Chest-level slice from an abdominal CT that extends up into the chest — axial view — soft-tissue window, W/L 400/40 — 768x768 px — scan has 13 labeled organs (a whole-scan count: organs this slice does not pass through have no box)
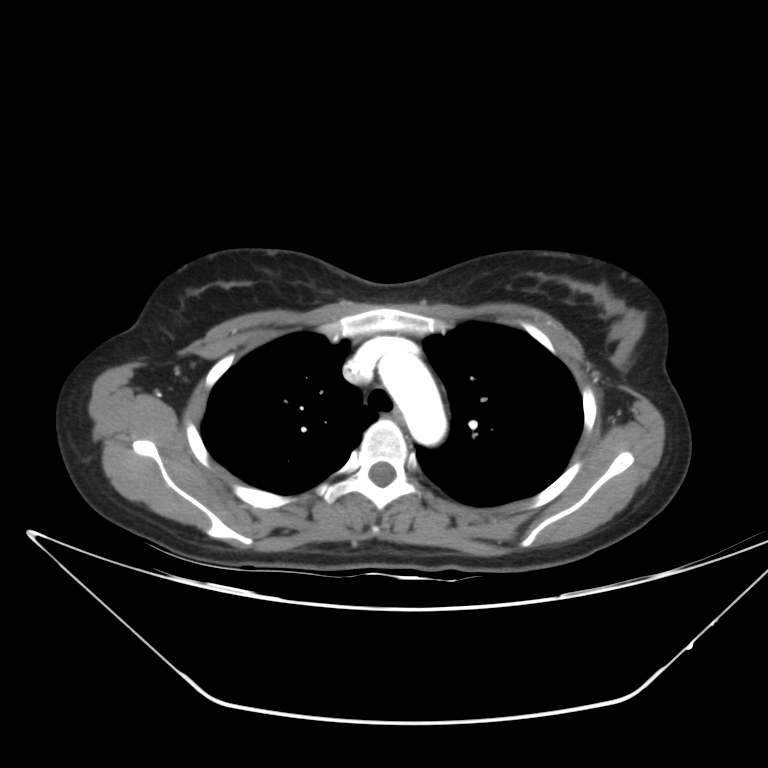 At this level of the chest this dataset labels only the esophagus and the aorta, and each is boxed only where it is labeled; the heart and lungs are never labeled.
Each box given as x1,y1,x2,y2.
esophagus: x1=392, y1=408, x2=405, y2=425
aorta: x1=378, y1=349, x2=446, y2=445